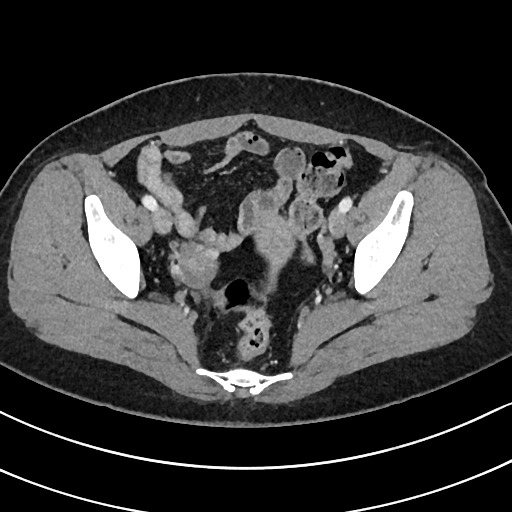
CT abdomen — axial plane, index 43
Coordinates as <box>x1,y1,x2,y2</box> in pixels.
Organ bounding boxes:
- prostate/uterus: <box>256,223,293,264</box>